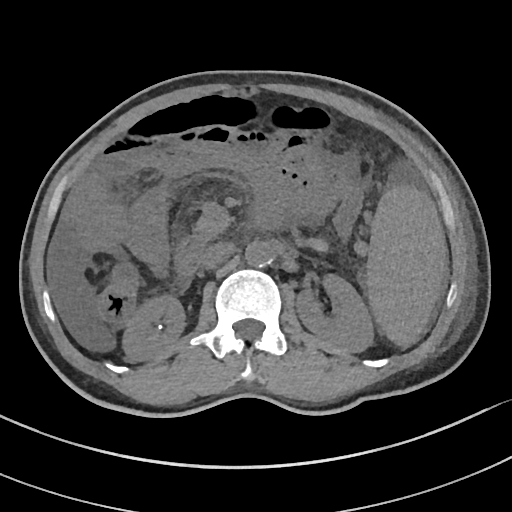

Computed tomography, abdomen · axial plane, index 128 · soft-tissue window (W 400 / L 40) · 512x512 px · acquired on SOMATOM Force · 15 organs annotated in this scan (a whole-scan count: organs this slice does not pass through have no box)
{"organs":{"spleen":[365,184,447,349],"right kidney":[121,295,185,362],"left kidney":[295,276,373,353],"aorta":[244,241,272,267],"inferior vena cava":[200,242,236,269],"pancreas":[187,215,226,245],"duodenum":[174,238,203,285]}}